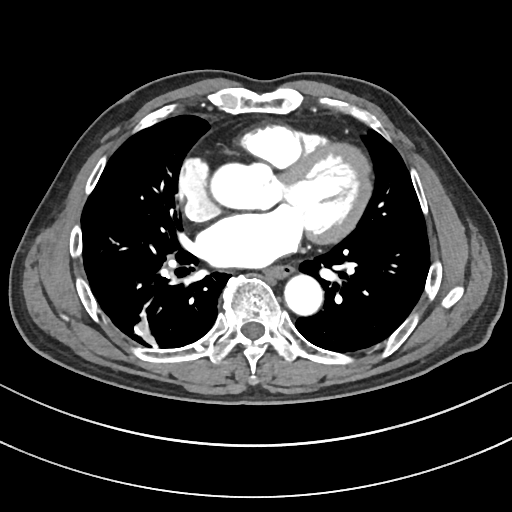

CT of the abdomen reaching into the lower chest, slice just above the liver and spleen. axial view. soft-tissue window, W/L 400/40
The heart and lungs are never labeled in this dataset, so they have no box on this slice.
One row per box, in pixels: columns x1 and y1 give the top-left corner, x2 and y2 the bottom-right.
| organ | x1 | y1 | x2 | y2 |
|---|---|---|---|---|
| esophagus | 266 | 265 | 292 | 278 |
| aorta | 211 | 164 | 271 | 209 |
| aorta | 284 | 274 | 322 | 315 |